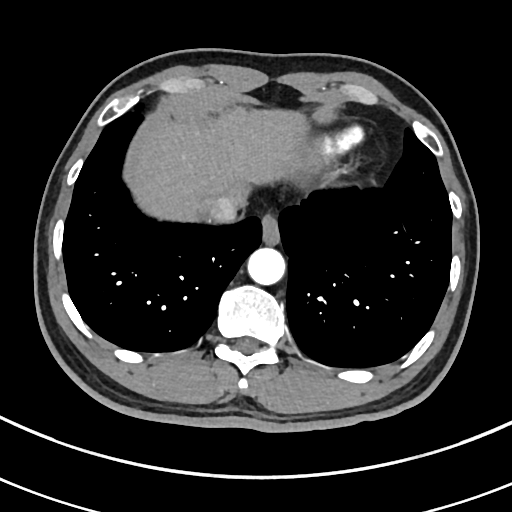 CT abdomen. Axial slice 185/302. abdomen soft-tissue window. scan has 15 labeled organs (a whole-scan count: organs this slice does not pass through have no box)
Coordinates as <box>x1,y1,x2,y2</box> in pixels.
esophagus: <box>260,213,279,243</box>
liver: <box>131,104,309,222</box>
aorta: <box>247,247,284,284</box>
inferior vena cava: <box>207,197,237,224</box>